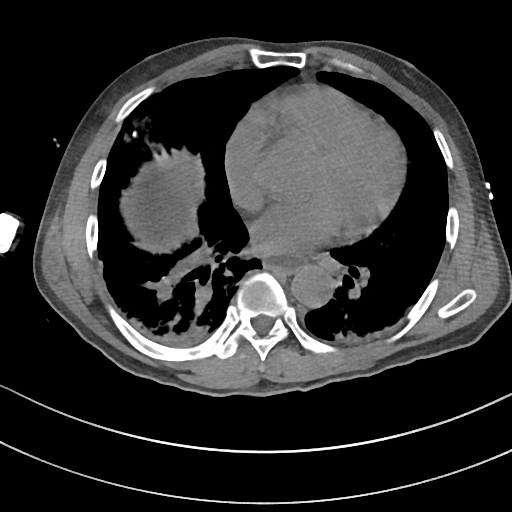
CT abdomen · axial view · W/L 400/40 HU · 512x512 px · acquired on SOMATOM Force · scan has 15 labeled organs (counted over the whole 3D scan, not this slice; an organ is boxed only where this slice passes through it)
Organ boxes in pixel coordinates; each row gives the top-left (x1, y1) and bottom-right (x2, y2) corners.
| organ | x1 | y1 | x2 | y2 |
|---|---|---|---|---|
| esophagus | 264 | 258 | 303 | 274 |
| liver | 156 | 191 | 185 | 227 |
| aorta | 290 | 267 | 332 | 307 |